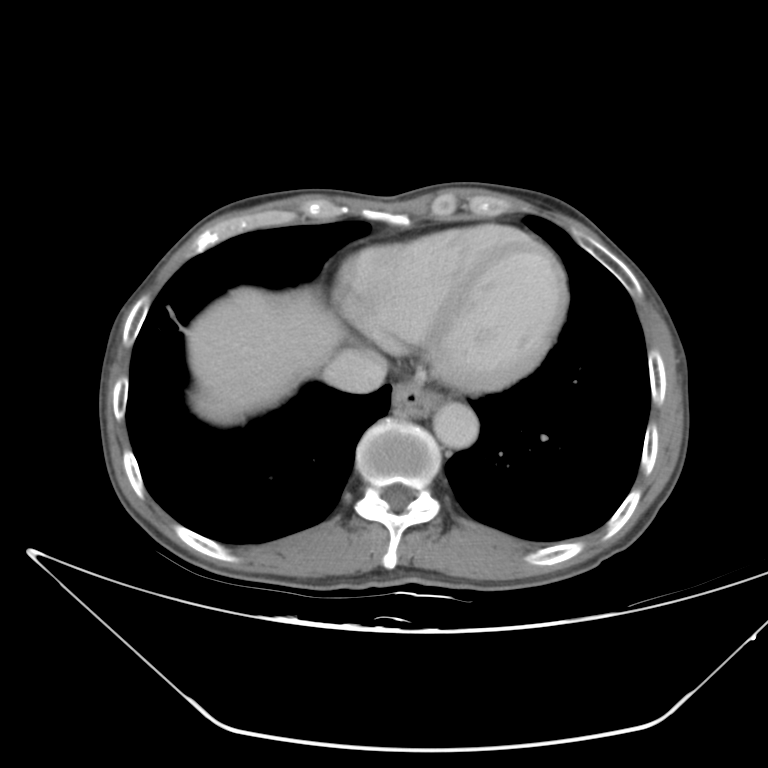

Abdominal CT — axial view — soft-tissue window — 768x768 px — 62-year-old male patient
One row per box, in pixels: columns x1 and y1 give the top-left corner, x2 and y2 the bottom-right.
| organ | x1 | y1 | x2 | y2 |
|---|---|---|---|---|
| inferior vena cava | 324 | 350 | 385 | 393 |
| esophagus | 392 | 382 | 441 | 416 |
| aorta | 433 | 400 | 480 | 449 |
| liver | 179 | 287 | 341 | 422 |